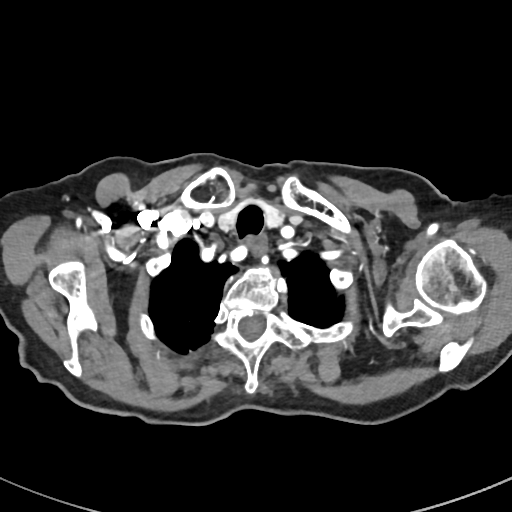 CT of the abdomen extending into the chest, slice through the chest; axial view; scan has 15 labeled organs (counted over the whole 3D scan, not this slice; an organ is boxed only where this slice passes through it)
At this level of the chest this dataset labels only the esophagus and the aorta, and each is boxed only where it is labeled; the heart and lungs are never labeled.
Bounding boxes in pixels, one row per box: x1, y1 is the top-left corner and x2, y2 the bottom-right.
| organ | x1 | y1 | x2 | y2 |
|---|---|---|---|---|
| esophagus | 249 | 240 | 265 | 258 |